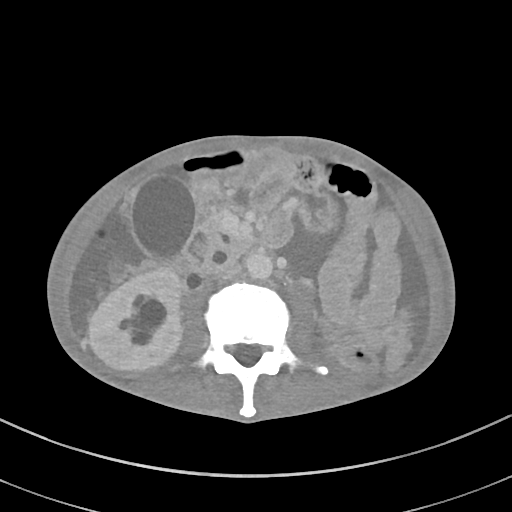

Computed tomography, abdomen. Axial slice 52/92. soft-tissue window (W 400 / L 40). 15 organs annotated in this scan (a whole-scan count: organs this slice does not pass through have no box)
Coordinates as <box>x1,y1,x2,y2</box> in pixels.
right kidney: <box>89,268,180,369</box>
gall bladder: <box>130,173,196,259</box>
aorta: <box>245,250,273,279</box>
inferior vena cava: <box>209,259,241,278</box>
pancreas: <box>188,219,251,261</box>
duodenum: <box>176,231,286,274</box>